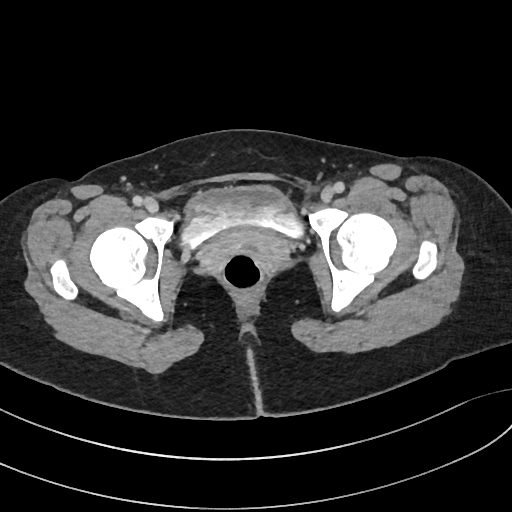

Computed tomography, abdomen · Axial slice 32/219 · soft-tissue window (W 400 / L 40) · scan has 15 labeled organs (that count is for the whole scan; organs this slice misses have no box)
Boxes: x1 y1 x2 y2 (pixel coords, space-separated). 1 labeled organ on this slice — bladder at 183 185 302 249.